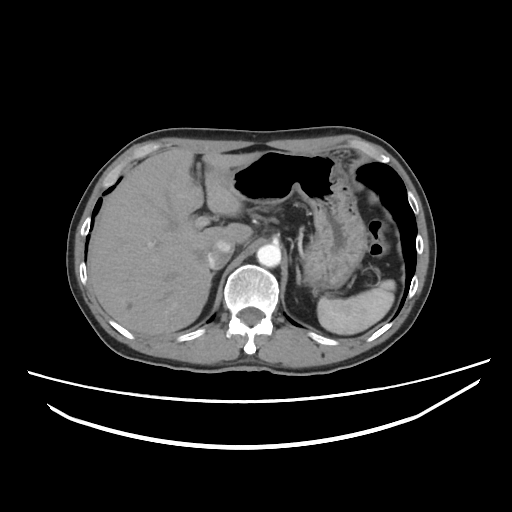 CT abdomen · axial plane, index 43 · 63-year-old male patient · Aquilion ONE scanner
One row per box, in pixels: columns x1 and y1 give the top-left corner, x2 and y2 the bottom-right.
| organ | x1 | y1 | x2 | y2 |
|---|---|---|---|---|
| spleen | 317 | 279 | 395 | 334 |
| liver | 88 | 148 | 260 | 335 |
| stomach | 221 | 150 | 366 | 292 |
| aorta | 256 | 244 | 281 | 267 |
| inferior vena cava | 206 | 239 | 234 | 269 |
| right adrenal gland | 211 | 272 | 214 | 279 |
| left adrenal gland | 296 | 266 | 300 | 284 |